Abdominal CT. axial view. soft-tissue window (W 400 / L 40). 768x768 px. Brilliance16 scanner
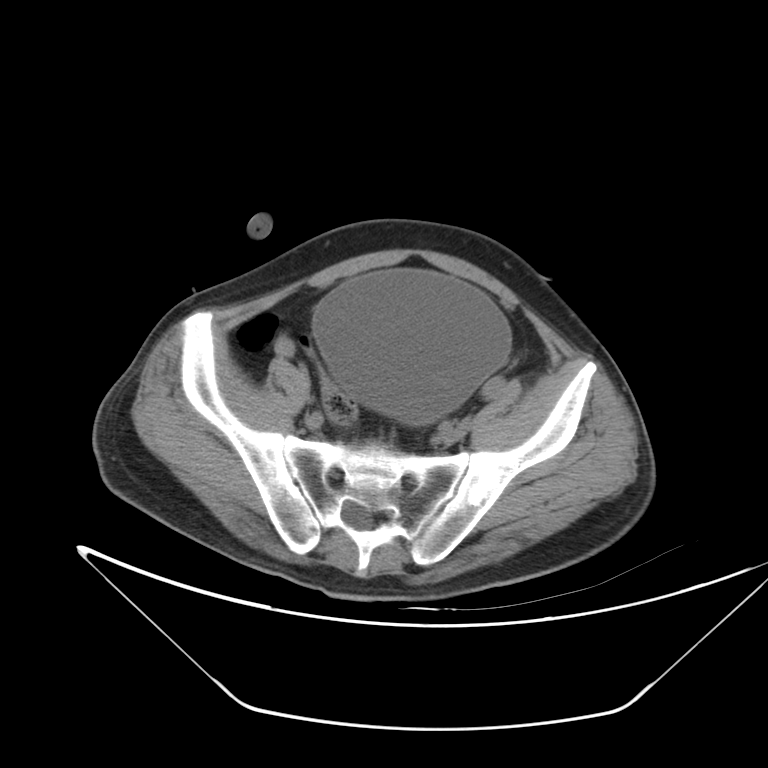 Bounding boxes as [x1, y1, x2, y2] in pixel coordinates.
Organ bounding boxes:
- bladder: [312, 269, 509, 422]